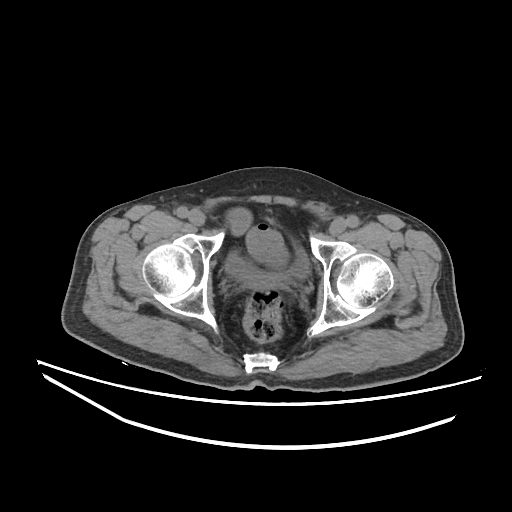

CT abdomen. axial view. 68-year-old male patient
{"organs":{"bladder":[225,247,309,286]}}